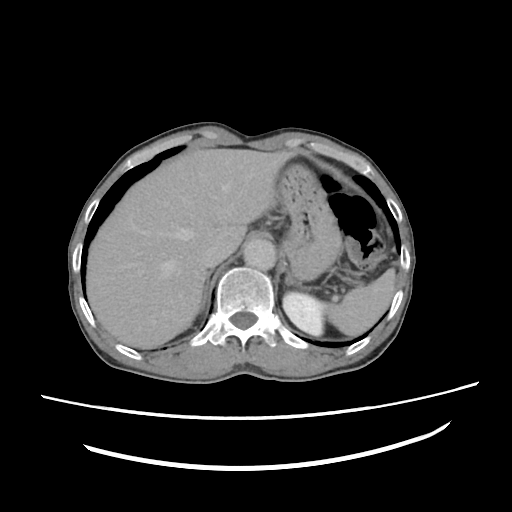 Computed tomography, abdomen · axial plane, index 71 · abdomen soft-tissue window · 512x512 px · Aquilion ONE scanner · scan has 15 labeled organs (counted over the whole 3D scan, not this slice; an organ is boxed only where this slice passes through it)
Coordinates as <box>x1,y1,x2,y2</box> in pixels.
spleen: <box>320,271,396,333</box>
left kidney: <box>283,294,323,333</box>
liver: <box>86,148,296,346</box>
stomach: <box>276,163,340,282</box>
aorta: <box>243,240,277,270</box>
inferior vena cava: <box>197,238,231,266</box>
right adrenal gland: <box>202,277,209,304</box>
left adrenal gland: <box>286,275,299,286</box>